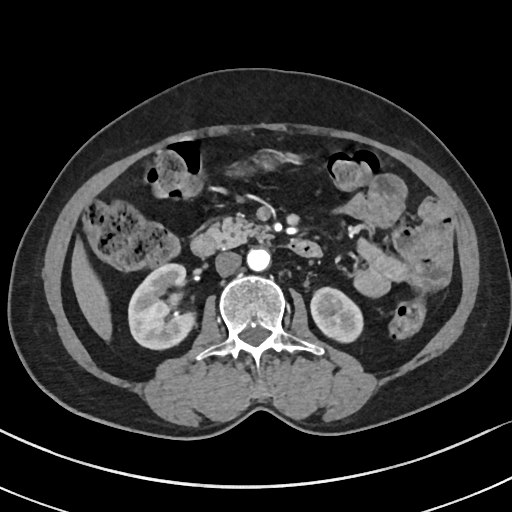

Abdominal CT. axial view. 512x512 px
<organs><organ name="right kidney" x1="128" y1="263" x2="194" y2="349"/><organ name="left kidney" x1="311" y1="287" x2="362" y2="342"/><organ name="liver" x1="71" y1="245" x2="112" y2="340"/><organ name="stomach" x1="231" y1="156" x2="274" y2="175"/><organ name="aorta" x1="246" y1="248" x2="270" y2="271"/><organ name="inferior vena cava" x1="215" y1="252" x2="241" y2="276"/><organ name="pancreas" x1="208" y1="214" x2="263" y2="247"/><organ name="duodenum" x1="190" y1="232" x2="321" y2="257"/></organs>